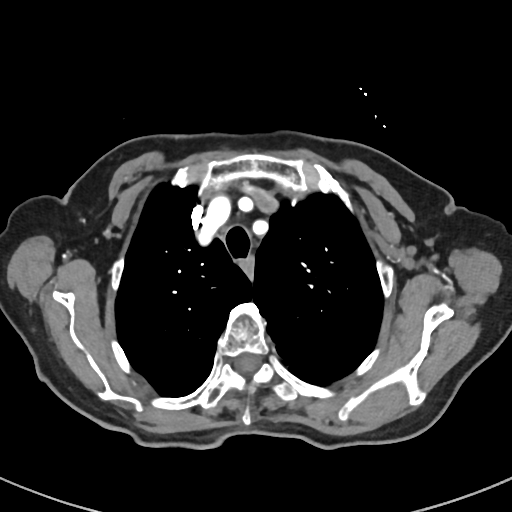 CT of the abdomen extending into the chest, slice through the chest; axial view; 512x512 px
On a slice this high in the chest, this dataset labels only the esophagus and the aorta, and each is boxed only where it is labeled; the heart, lungs and other chest structures are not labeled.
<organs><organ name="esophagus" x1="240" y1="256" x2="254" y2="279"/></organs>